Abdominal CT. axial view. 512x512 px
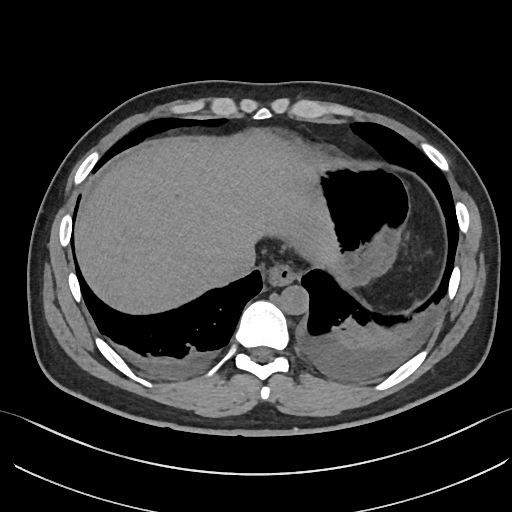 Bounding boxes as [x1, y1, x2, y2] in pixel coordinates.
Organ bounding boxes:
- esophagus: [265, 264, 295, 285]
- liver: [74, 129, 339, 313]
- stomach: [288, 141, 408, 285]
- aorta: [279, 285, 308, 314]
- inferior vena cava: [217, 250, 255, 284]